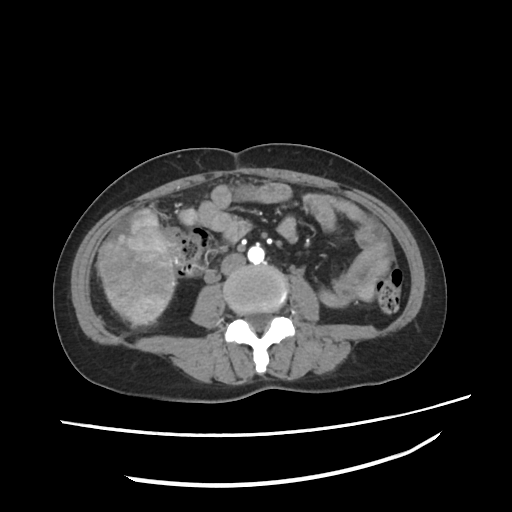

Computed tomography, abdomen · Axial slice 42/78 · soft-tissue window · 47-year-old female patient
One row per box, in pixels: columns x1 and y1 give the top-left corner, x2 and y2 the bottom-right.
| organ | x1 | y1 | x2 | y2 |
|---|---|---|---|---|
| aorta | 247 | 246 | 263 | 262 |
| inferior vena cava | 222 | 254 | 246 | 273 |